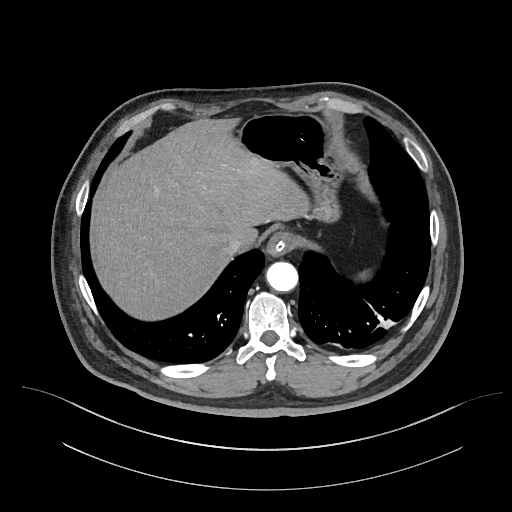
Computed tomography, abdomen · axial view · abdomen soft-tissue window · acquired on SOMATOM Force · 15 organs annotated in this scan (counted over the whole 3D scan, not this slice; an organ is boxed only where this slice passes through it)
<organs><organ name="esophagus" x1="266" y1="232" x2="290" y2="256"/><organ name="inferior vena cava" x1="223" y1="236" x2="243" y2="255"/><organ name="stomach" x1="235" y1="114" x2="345" y2="222"/><organ name="aorta" x1="266" y1="262" x2="297" y2="291"/><organ name="liver" x1="90" y1="118" x2="309" y2="320"/></organs>